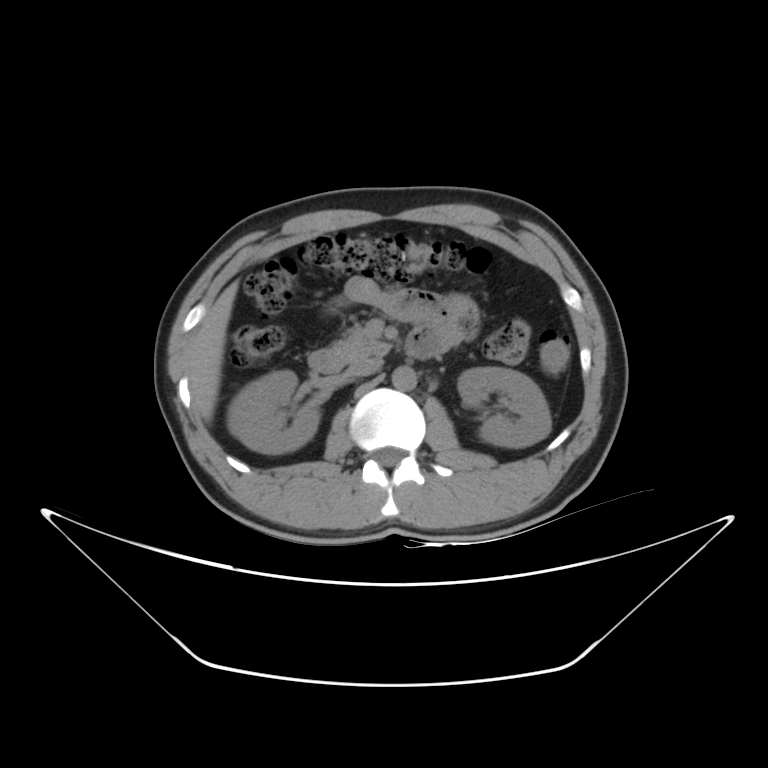
Computed tomography, abdomen — Axial slice 67/96 — W/L 400/40 HU — scan has 15 labeled organs (that count is for the whole scan; organs this slice misses have no box)
Box edges are left/top/right/bottom in pixels. Labeled organs on this slice: left kidney at left=457, top=366, right=551, bottom=447, pancreas at left=329, top=329, right=390, bottom=362, liver at left=187, top=281, right=238, bottom=421, inferior vena cava at left=347, top=359, right=382, bottom=376, right kidney at left=226, top=370, right=320, bottom=454, duodenum at left=308, top=327, right=445, bottom=373, aorta at left=391, top=366, right=416, bottom=390.